Abdominal CT. axial view
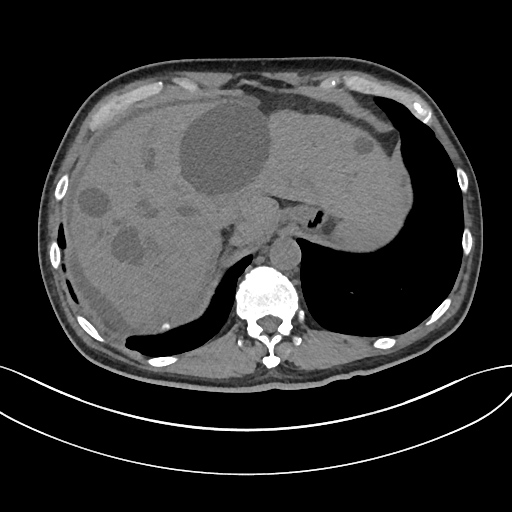
Bounding boxes in pixels, one row per box: x1, y1 is the top-left corner and x2, y2 the bottom-right.
| organ | x1 | y1 | x2 | y2 |
|---|---|---|---|---|
| spleen | 332 | 215 | 401 | 250 |
| liver | 70 | 101 | 407 | 332 |
| stomach | 282 | 204 | 330 | 233 |
| aorta | 269 | 237 | 300 | 270 |
| inferior vena cava | 215 | 208 | 239 | 228 |
| right adrenal gland | 210 | 241 | 221 | 273 |